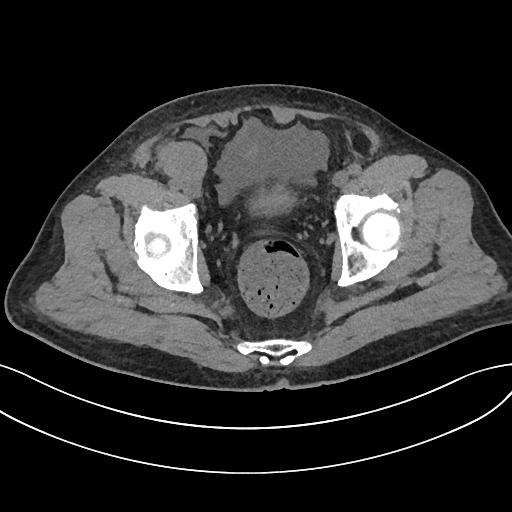
CT abdomen — Axial slice 34/213 — soft-tissue window (W 400 / L 40) — 512x512 px — scan has 15 labeled organs (a whole-scan count: organs this slice does not pass through have no box)
<organs><organ name="bladder" x1="254" y1="189" x2="291" y2="211"/></organs>